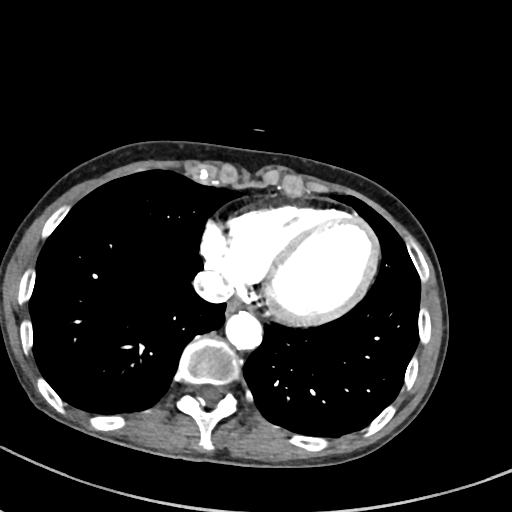 CT of the abdomen reaching into the lower chest, slice just above the liver and spleen. axial view. SOMATOM Force scanner. scan has 15 labeled organs (that count is for the whole scan; organs this slice misses have no box)
The heart and lungs are never labeled in this dataset, so they have no box on this slice.
Boxes are (x1, y1, x2, y2) in pixels.
Organ bounding boxes:
- esophagus: (226, 299, 252, 313)
- aorta: (224, 310, 261, 348)
- inferior vena cava: (193, 271, 233, 303)